CT of the abdomen extending into the chest, slice through the chest; axial view; soft-tissue window (W 400 / L 40); 512x512 px
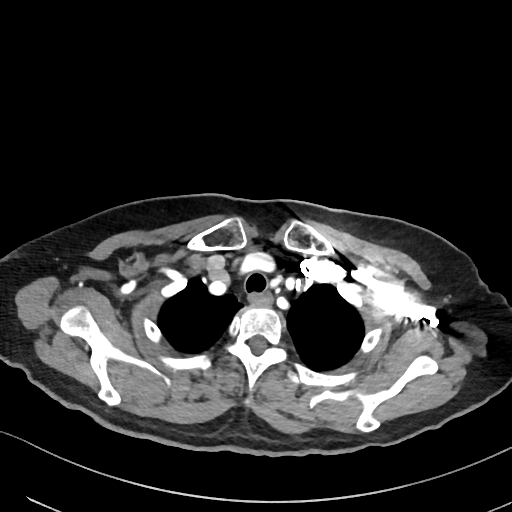 At this level of the chest this dataset labels only the esophagus and the aorta, and each is boxed only where it is labeled; the heart and lungs are never labeled.
Boxes: x1:y1:x2:y2 in pixels.
esophagus: 248:294:271:305